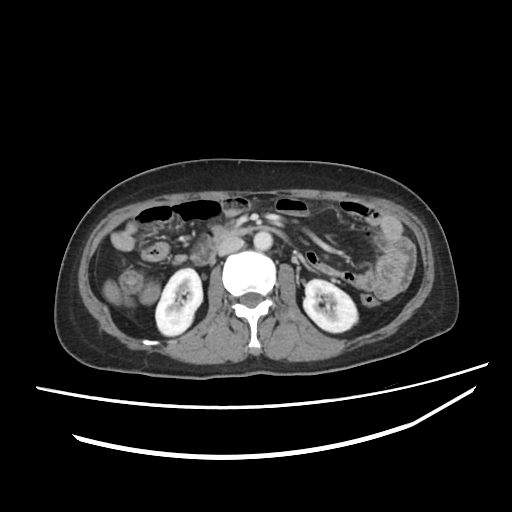
CT, abdomen/pelvis — axial plane, index 54 — abdomen soft-tissue window — 15 organs annotated in this scan (a whole-scan count: organs this slice does not pass through have no box)
Bounding boxes in pixels, one row per box: x1, y1 is the top-left corner and x2, y2 the bottom-right.
| organ | x1 | y1 | x2 | y2 |
|---|---|---|---|---|
| right kidney | 155 | 268 | 202 | 335 |
| left kidney | 303 | 279 | 357 | 332 |
| aorta | 253 | 231 | 272 | 250 |
| inferior vena cava | 218 | 238 | 243 | 255 |
| duodenum | 191 | 227 | 283 | 264 |